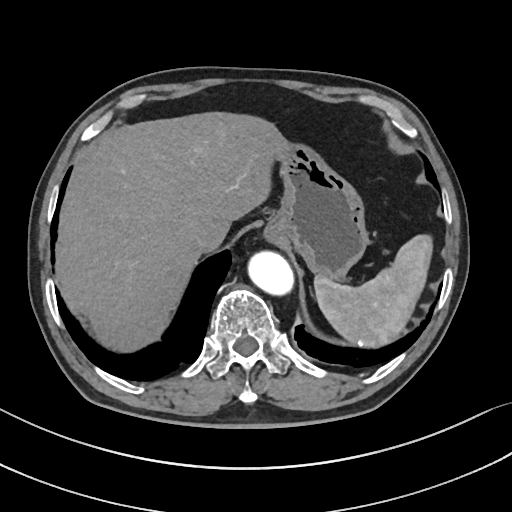
CT abdomen; Axial slice 187/306; soft-tissue window (W 400 / L 40); scan has 15 labeled organs (that count is for the whole scan; organs this slice misses have no box)
Box edges are left/top/right/bottom in pixels.
Organ bounding boxes:
- spleen: left=314, top=234, right=432, bottom=347
- liver: left=56, top=112, right=287, bottom=352
- stomach: left=264, top=143, right=367, bottom=279
- aorta: left=248, top=251, right=293, bottom=295
- inferior vena cava: left=184, top=232, right=209, bottom=254